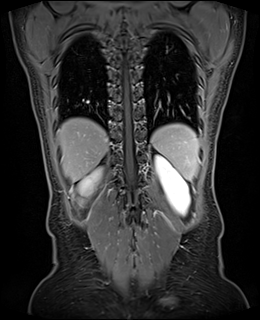 Abdominal MR · coronal plane, index 38 · percentile-normalized · 260x320 px
Bounding boxes as [x1, y1, x2, y2] in pixel coordinates.
spleen: [151, 124, 199, 180]
right kidney: [80, 169, 100, 194]
left kidney: [155, 155, 190, 214]
liver: [57, 118, 108, 181]